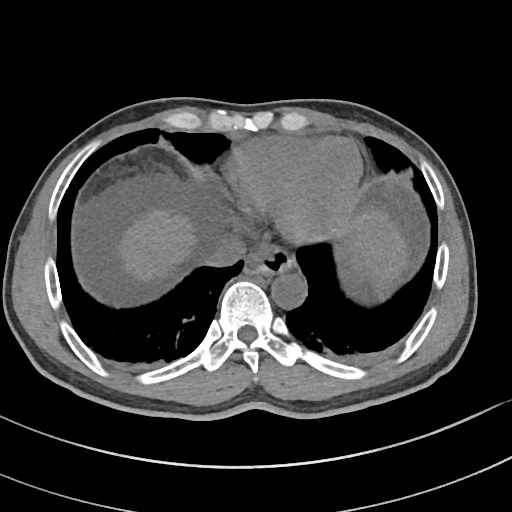 CT abdomen · axial view
{"organs":{"spleen":[346,253,382,282],"esophagus":[244,248,296,276],"liver":[118,210,409,283],"aorta":[271,273,307,309],"inferior vena cava":[201,233,246,267]}}